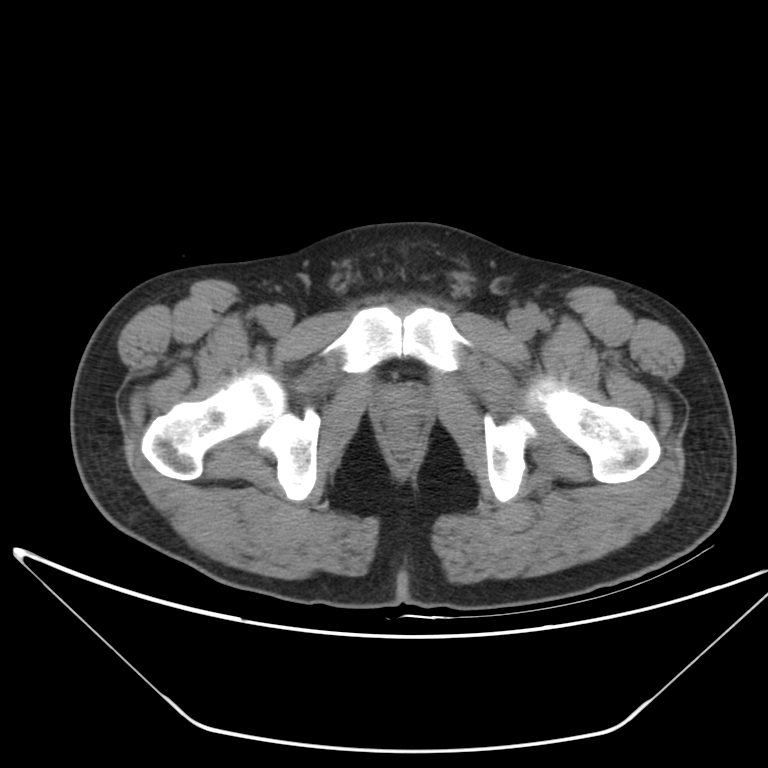
CT, abdomen/pelvis — Axial slice 11/84 — 768x768 px
<organs><organ name="prostate/uterus" x1="381" y1="387" x2="426" y2="430"/></organs>